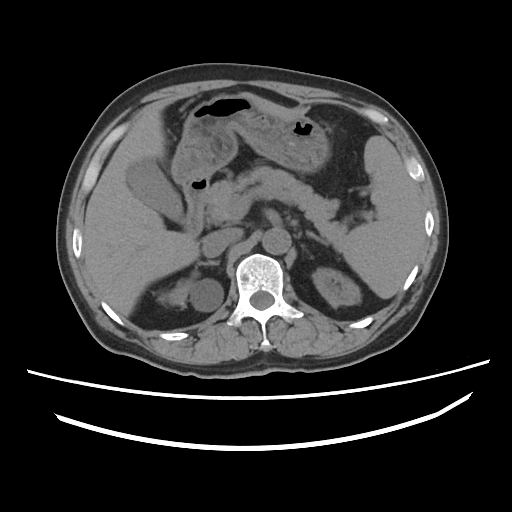
CT abdomen · axial plane, index 75
{"organs":{"spleen":[338,136,424,298],"right kidney":[157,278,223,311],"left kidney":[312,268,360,306],"gall bladder":[126,158,182,220],"liver":[83,93,293,316],"stomach":[171,93,330,189],"aorta":[262,227,290,254],"inferior vena cava":[202,230,236,257],"pancreas":[205,166,349,247],"right adrenal gland":[196,260,219,267],"left adrenal gland":[306,231,327,245],"duodenum":[183,179,207,236]}}